CT, abdomen/pelvis. axial view. 66-year-old male patient. acquired on Brilliance16
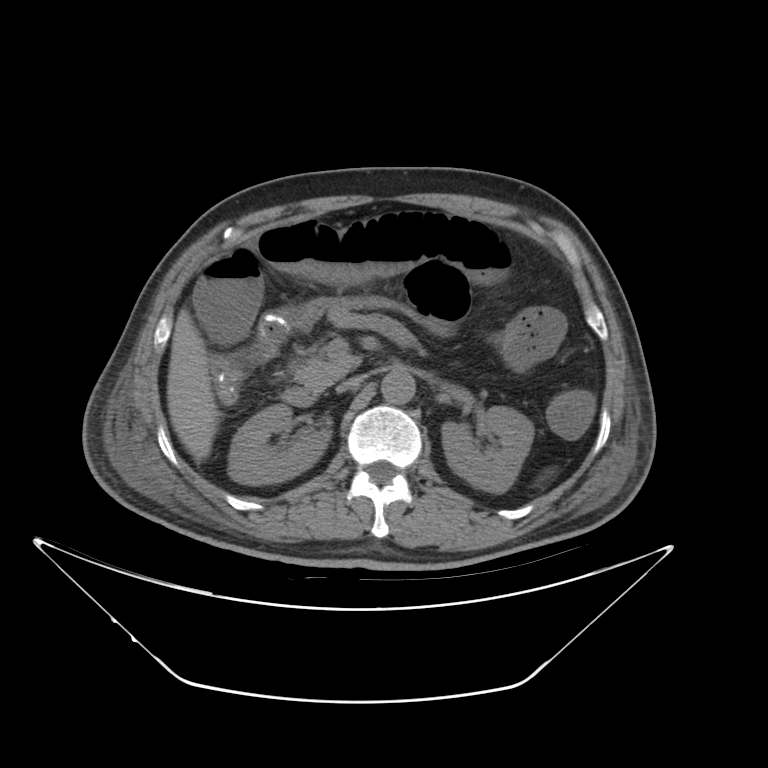

Boxes: x1:y1:x2:y2 in pixels.
Organ bounding boxes:
- right kidney: 228:403:329:484
- left kidney: 440:403:533:491
- liver: 168:308:220:464
- aorta: 382:371:414:404
- inferior vena cava: 337:375:370:395
- pancreas: 292:354:364:392
- duodenum: 278:390:317:405